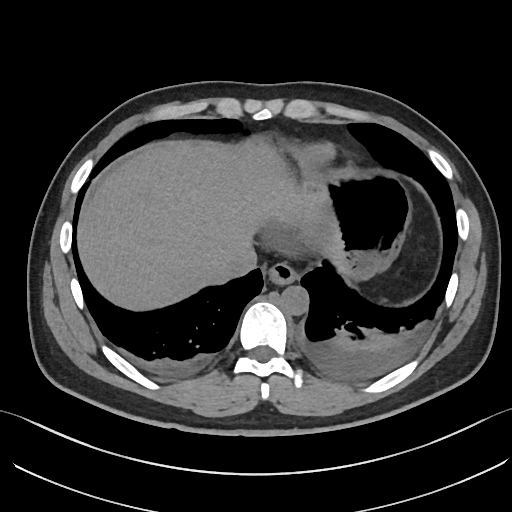

Abdominal CT — axial view — soft-tissue window (W 400 / L 40) — 512x512 px
Boxes: x1 y1 x2 y2 (pixel coords, space-separated).
esophagus: 267 263 297 284
liver: 78 139 344 309
stomach: 318 173 410 279
aorta: 279 285 309 315
inferior vena cava: 220 246 257 279